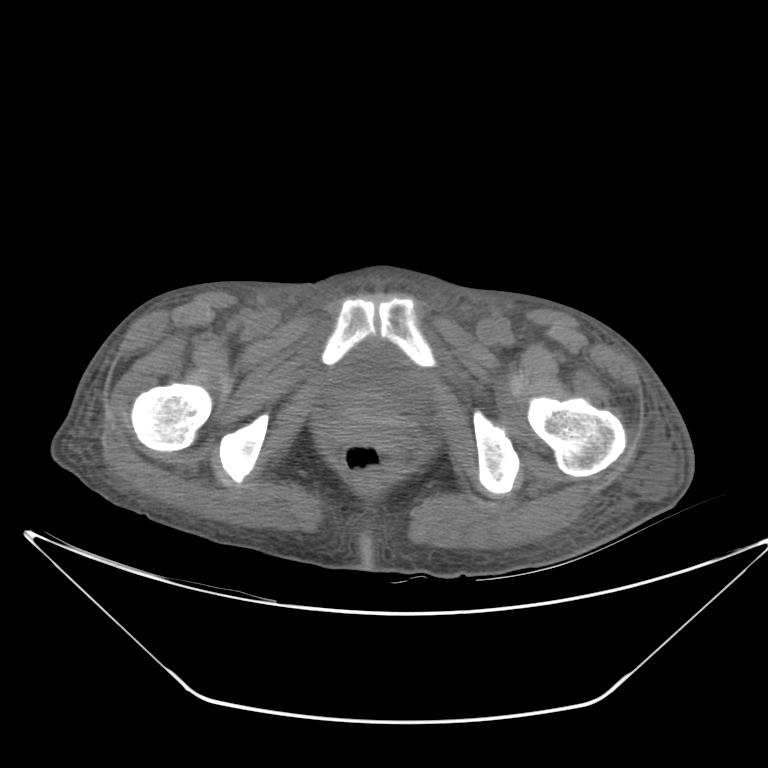
Abdominal CT. Axial slice 12/105. W/L 400/40 HU. 768x768 px
Bounding boxes in pixels, one row per box: x1, y1 is the top-left corner and x2, y2 the bottom-right.
| organ | x1 | y1 | x2 | y2 |
|---|---|---|---|---|
| bladder | 333 | 346 | 425 | 409 |